Computed tomography, abdomen; axial view; soft-tissue window (W 400 / L 40); 512x512 px
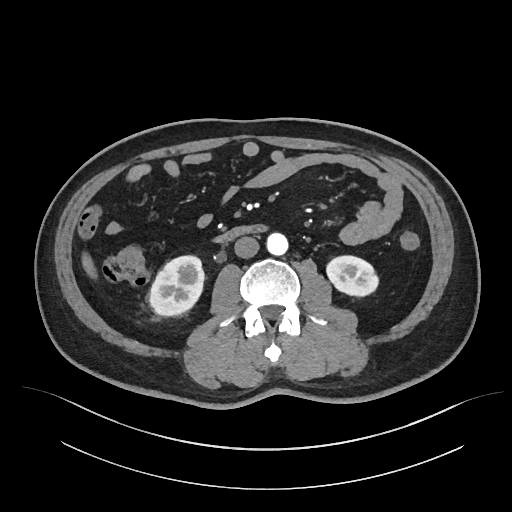
Bounding boxes in pixels, one row per box: x1, y1 is the top-left corner and x2, y2 the bottom-right.
| organ | x1 | y1 | x2 | y2 |
|---|---|---|---|---|
| right kidney | 149 | 255 | 204 | 316 |
| left kidney | 326 | 255 | 377 | 296 |
| liver | 81 | 252 | 97 | 278 |
| aorta | 267 | 233 | 288 | 255 |
| inferior vena cava | 234 | 236 | 259 | 258 |
| duodenum | 215 | 224 | 266 | 242 |